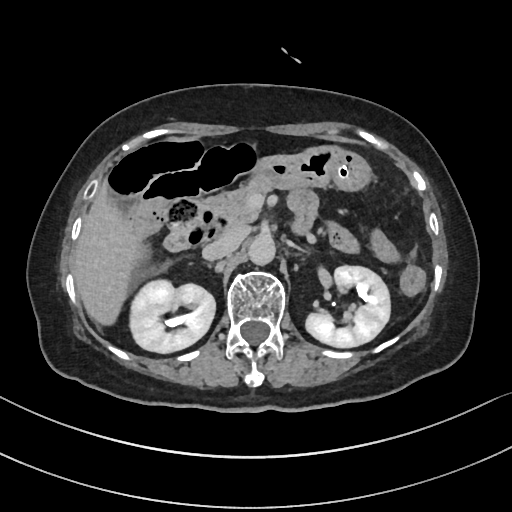

CT abdomen · axial view · soft-tissue window · 512x512 px
Boxes: x1 y1 x2 y2 (pixel coords, space-separated). The annotated organs in this slice are: pancreas at 205 180 270 226, inferior vena cava at 202 228 245 260, liver at 72 146 325 325, left kidney at 305 266 390 347, right kidney at 129 279 215 353, stomach at 252 146 371 191, duodenum at 164 202 231 251, aorta at 248 235 275 265.